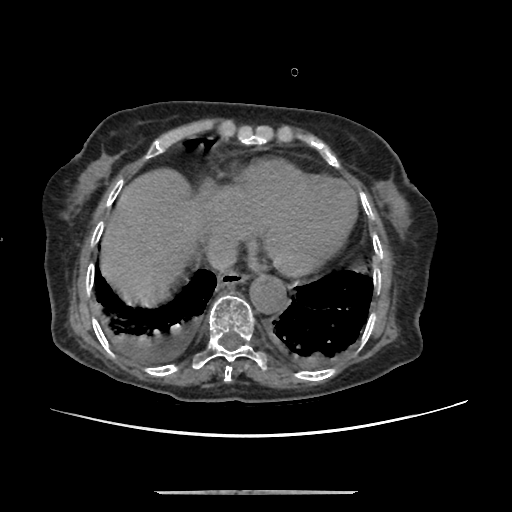 Computed tomography, abdomen; axial plane, index 321; soft-tissue window (W 400 / L 40); 512x512 px
Boxes are (x1, y1, x2, y2) in pixels.
Organ bounding boxes:
- esophagus: (217, 270, 249, 286)
- liver: (100, 169, 201, 300)
- aorta: (249, 276, 285, 314)
- inferior vena cava: (206, 234, 237, 271)